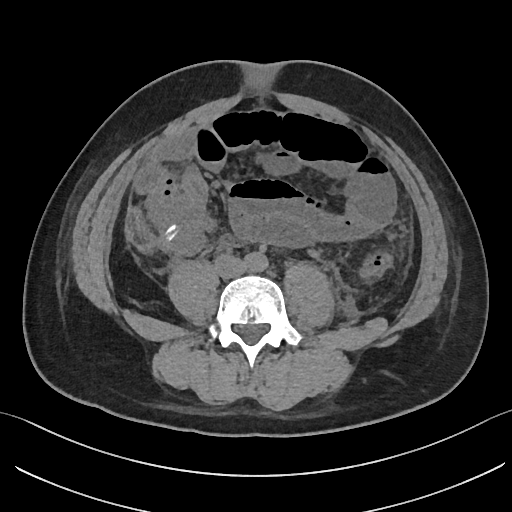

CT abdomen; Axial slice 104/234; abdomen soft-tissue window
Boxes: x1 y1 x2 y2 (pixel coords, space-separated). The annotated organs in this slice are: inferior vena cava at 215 255 246 278, aorta at 244 252 268 272.